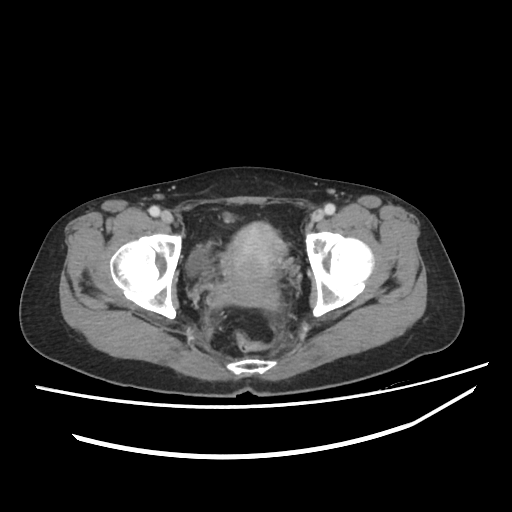
CT, abdomen/pelvis — axial view — 512x512 px
Boxes are (x1, y1, x2, y2) in pixels. 2 labeled organs on this slice — prostate/uterus at (223, 222, 286, 307); bladder at (186, 248, 207, 274).